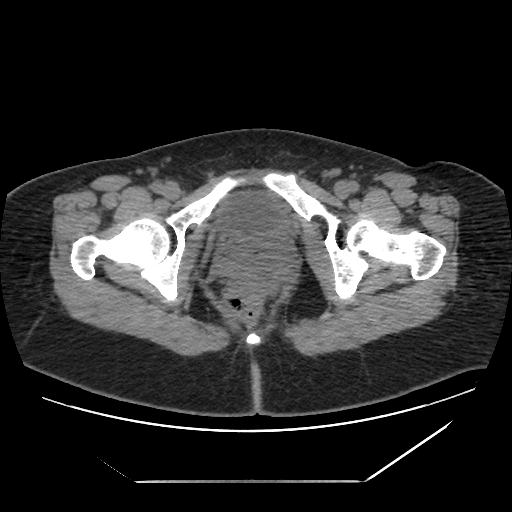 Computed tomography, abdomen; axial view; 512x512 px; SOMATOM Force scanner
Boxes: x1 y1 x2 y2 (pixel coords, space-separated). The annotated organs in this slice are: bladder at 218 192 286 232.